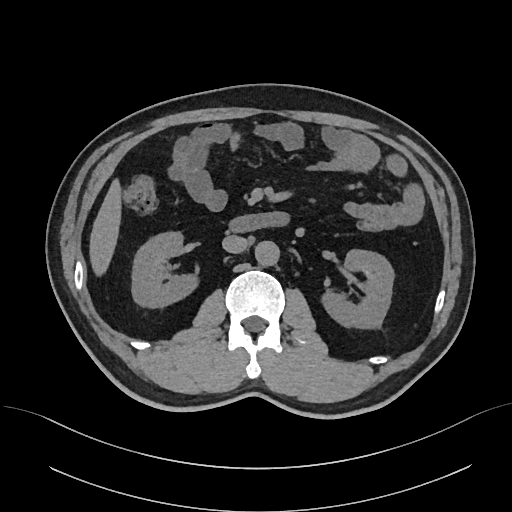
CT abdomen; Axial slice 163/265; soft-tissue window; 512x512 px; SOMATOM Force scanner
Boxes are (x1, y1, x2, y2) in pixels. The annotated organs in this slice are: right kidney at (132, 232, 199, 308), left kidney at (319, 250, 393, 329), liver at (88, 177, 122, 279), aorta at (255, 242, 279, 266), inferior vena cava at (222, 235, 248, 253), duodenum at (227, 211, 291, 233).